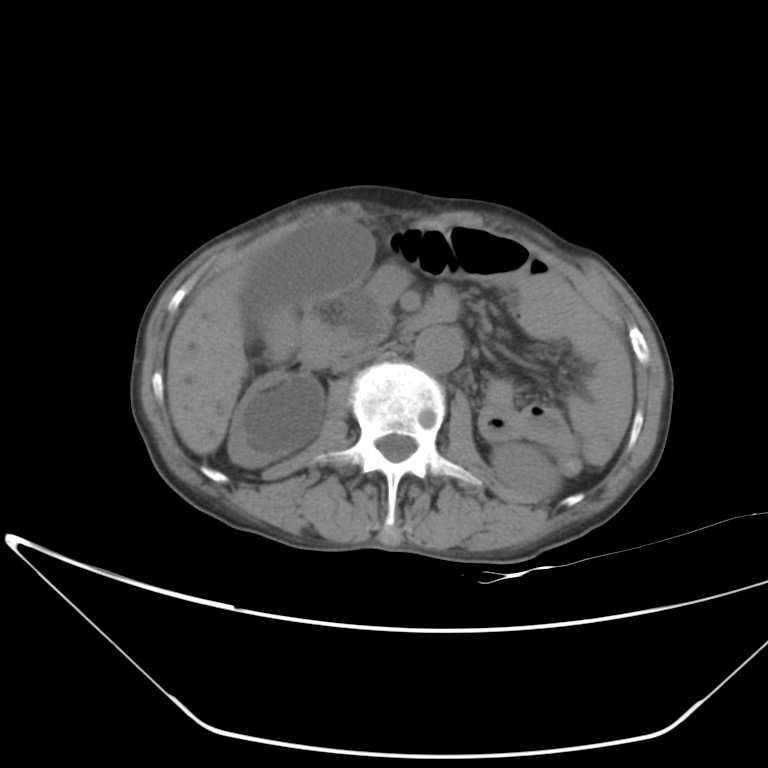 Abdominal CT; axial view; soft-tissue window; 768x768 px; 66-year-old male patient
<organs><organ name="duodenum" x1="302" y1="284" x2="457" y2="366"/><organ name="right kidney" x1="227" y1="372" x2="324" y2="467"/><organ name="inferior vena cava" x1="331" y1="346" x2="382" y2="372"/><organ name="aorta" x1="414" y1="326" x2="463" y2="374"/><organ name="liver" x1="167" y1="273" x2="249" y2="454"/><organ name="gall bladder" x1="239" y1="219" x2="374" y2="320"/><organ name="left kidney" x1="492" y1="443" x2="557" y2="497"/></organs>